CT abdomen; axial view; 512x512 px
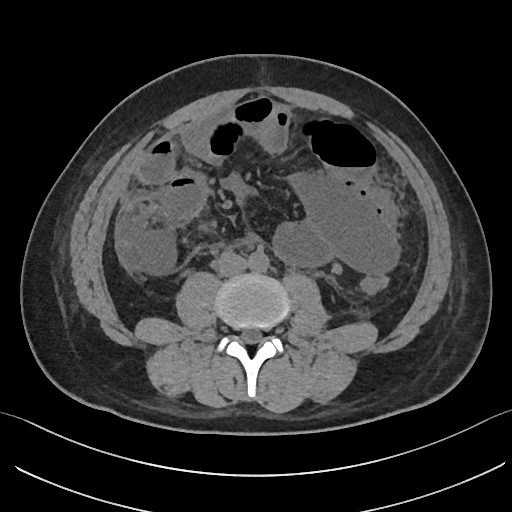

Organ boxes in pixel coordinates; each row gives the top-left (x1, y1) and bottom-right (x2, y2) corners.
| organ | x1 | y1 | x2 | y2 |
|---|---|---|---|---|
| aorta | 248 | 251 | 268 | 272 |
| inferior vena cava | 214 | 251 | 247 | 276 |